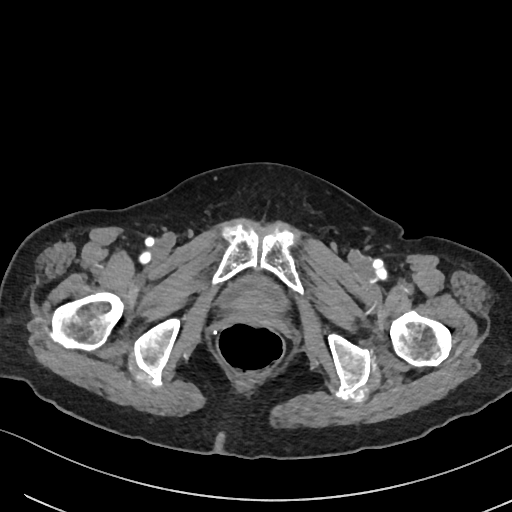
CT abdomen. Axial slice 24/297. 512x512 px
Bounding boxes as [x1, y1, x2, y2] in pixel coordinates.
Organ bounding boxes:
- bladder: [221, 275, 285, 308]